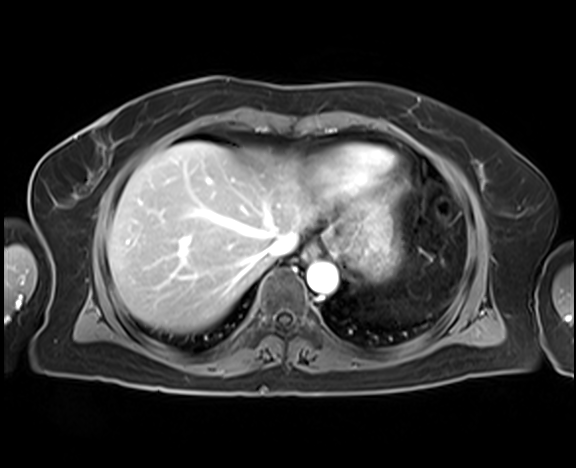 Abdominal MRI · axial view · 576x468 px
Each box given as x1,y1,x2,y2.
Organ bounding boxes:
- esophagus: x1=304, y1=245, x2=319, y2=259
- stomach: x1=350, y1=213, x2=400, y2=282
- inferior vena cava: x1=266, y1=232, x2=298, y2=258
- aorta: x1=307, y1=261, x2=337, y2=294
- liver: x1=107, y1=142, x2=377, y2=332